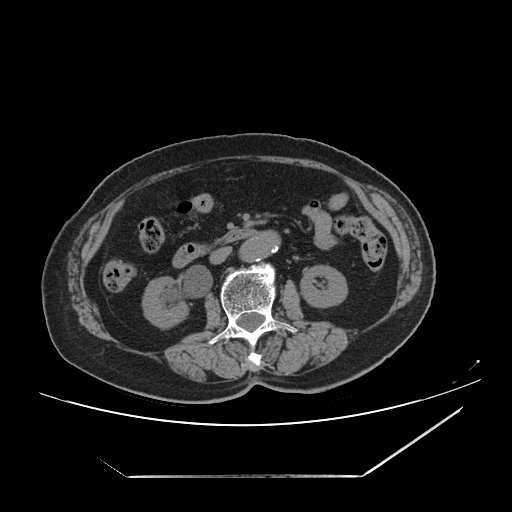 CT, abdomen/pelvis. axial view. abdomen soft-tissue window. 512x512 px. acquired on SOMATOM Force
Bounding boxes in pixels, one row per box: x1, y1 is the top-left corner and x2, y2 the bottom-right.
| organ | x1 | y1 | x2 | y2 |
|---|---|---|---|---|
| right kidney | 142 | 276 | 188 | 328 |
| left kidney | 300 | 265 | 347 | 307 |
| aorta | 239 | 231 | 280 | 261 |
| inferior vena cava | 209 | 246 | 232 | 264 |
| pancreas | 216 | 239 | 219 | 241 |
| duodenum | 172 | 229 | 263 | 267 |